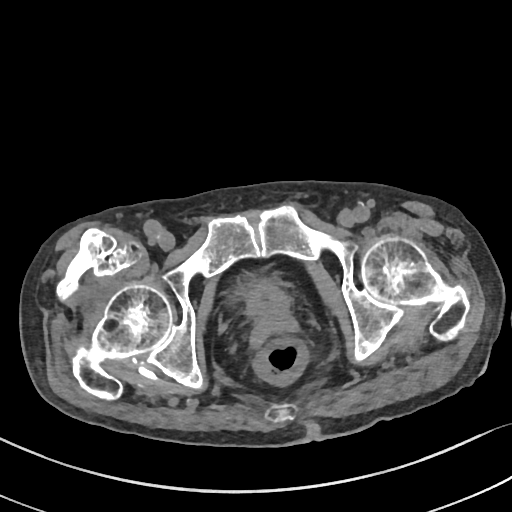 Abdominal CT; axial view; abdomen soft-tissue window
{"organs":{"prostate/uterus":[246,281,291,331],"bladder":[235,272,284,298]}}